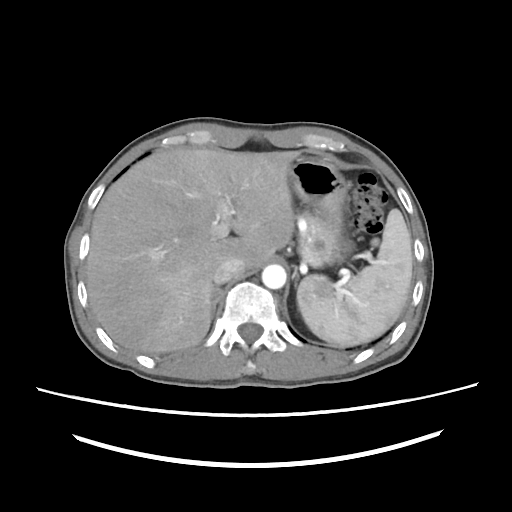 Computed tomography, abdomen; axial view; abdomen soft-tissue window; 512x512 px; 51-year-old male patient; acquired on Aquilion ONE
<organs><organ name="right adrenal gland" x1="208" y1="285" x2="224" y2="318"/><organ name="stomach" x1="285" y1="156" x2="351" y2="254"/><organ name="liver" x1="86" y1="150" x2="300" y2="352"/><organ name="pancreas" x1="297" y1="210" x2="343" y2="266"/><organ name="spleen" x1="297" y1="207" x2="413" y2="346"/><organ name="aorta" x1="262" y1="265" x2="286" y2="287"/><organ name="left adrenal gland" x1="293" y1="273" x2="297" y2="292"/><organ name="inferior vena cava" x1="214" y1="257" x2="242" y2="283"/></organs>